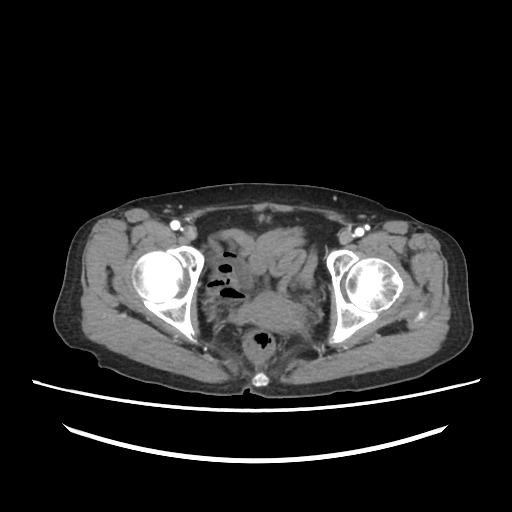
Computed tomography, abdomen · Axial slice 20/96 · W/L 400/40 HU · 512x512 px · 62-year-old female patient · 15 organs annotated in this scan (a whole-scan count: organs this slice does not pass through have no box)
Coordinates as <box>x1,y1,x2,y2</box> in pixels.
Organ bounding boxes:
- prostate/uterus: <box>237,292,303,332</box>